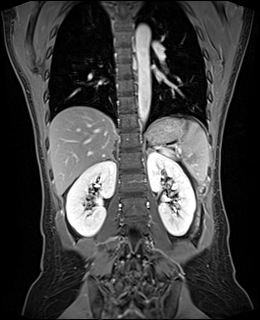
Abdominal MRI — coronal view — percentile-normalized
One row per box, in pixels: columns x1 and y1 give the top-left corner, x2 and y2 the bottom-right.
| organ | x1 | y1 | x2 | y2 |
|---|---|---|---|---|
| spleen | 148 | 121 | 209 | 181 |
| right kidney | 66 | 160 | 116 | 236 |
| left kidney | 147 | 152 | 195 | 236 |
| liver | 48 | 106 | 114 | 196 |
| stomach | 147 | 117 | 185 | 142 |
| aorta | 136 | 24 | 150 | 124 |
| right adrenal gland | 107 | 151 | 114 | 159 |
| left adrenal gland | 146 | 147 | 156 | 153 |